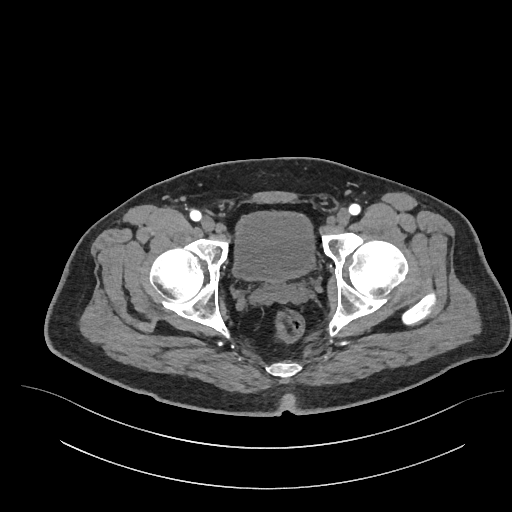 Computed tomography, abdomen · axial view · soft-tissue window · 512x512 px · acquired on SOMATOM Force · scan has 15 labeled organs (a whole-scan count: organs this slice does not pass through have no box)
Coordinates as <box>x1,y1,x2,y2</box> in pixels.
Organ bounding boxes:
- bladder: <box>233,212,314,281</box>